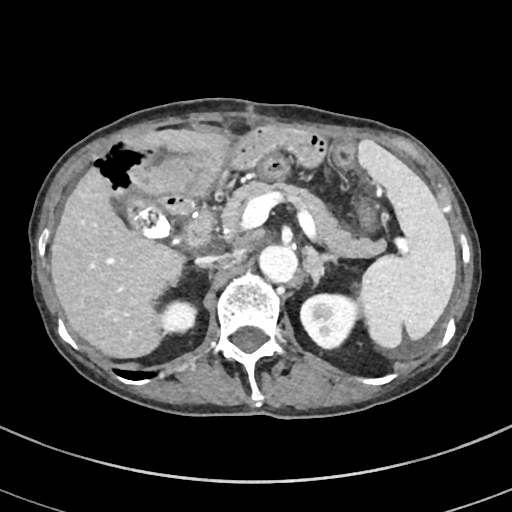 Abdominal CT; axial view
Boxes are (x1, y1, x2, y2) in pixels.
aorta: (259, 246, 298, 284)
left kidney: (301, 294, 356, 347)
left adrenal gland: (305, 248, 338, 283)
right kidney: (160, 302, 195, 332)
right adrenal gland: (195, 264, 213, 270)
duodenum: (184, 209, 214, 246)
spleen: (357, 140, 456, 349)
inferior vena cava: (197, 253, 233, 263)
liver: (50, 128, 230, 358)
gall bladder: (127, 195, 168, 238)
pancreas: (220, 181, 384, 258)